CT abdomen — axial view — SOMATOM Force scanner
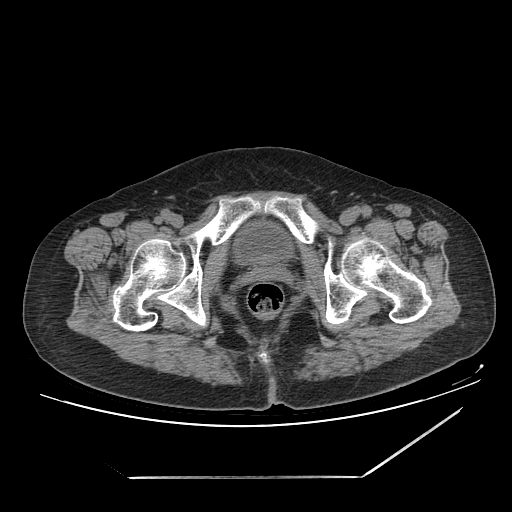

Organ boxes in pixel coordinates; each row gives the top-left (x1, y1) and bottom-right (x2, y2) corners.
| organ | x1 | y1 | x2 | y2 |
|---|---|---|---|---|
| bladder | 234 | 223 | 292 | 262 |